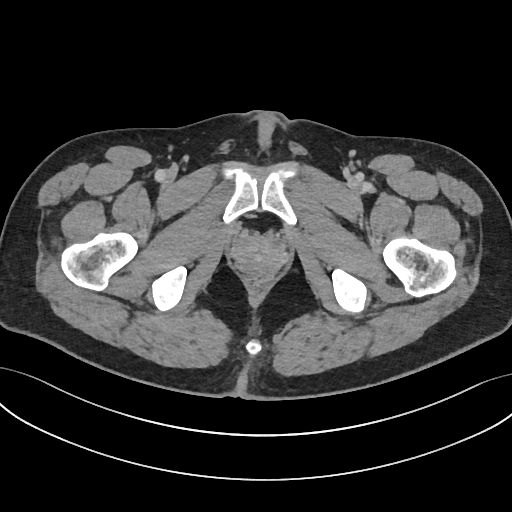
Computed tomography, abdomen. Axial slice 19/345. soft-tissue window (W 400 / L 40)
Box edges are left/top/right/bottom in pixels. 1 labeled organ on this slice — prostate/uterus at left=233, top=238, right=282, bottom=274.